Abdominal CT. axial view. abdomen soft-tissue window. acquired on Brilliance16. scan has 15 labeled organs (that count is for the whole scan; organs this slice misses have no box)
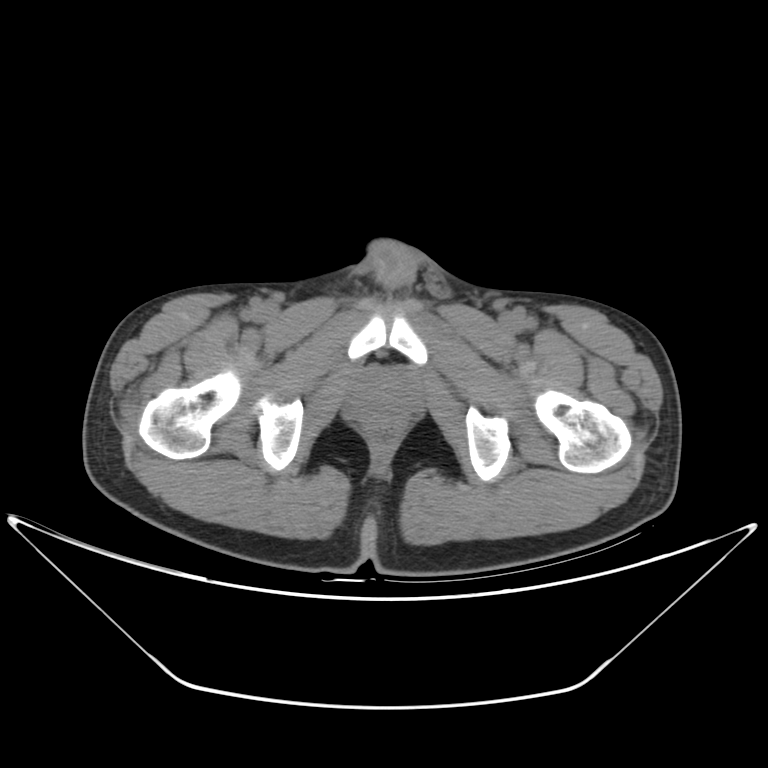

Box edges are left/top/right/bottom in pixels.
prostate/uterus: left=353, top=370, right=414, bottom=421